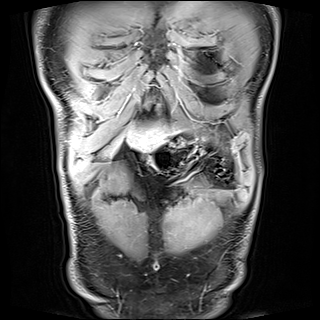 Magnetic resonance imaging, abdomen · coronal view · percentile-normalized · Prisma scanner · 13 organs annotated in this scan (a whole-scan count: organs this slice does not pass through have no box)
Boxes: x1 y1 x2 y2 (pixel coords, space-separated).
liver: 127 123 171 149
stomach: 146 139 201 174